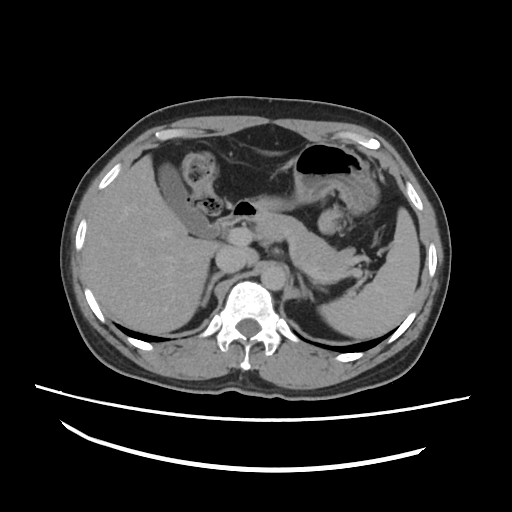 CT abdomen; Axial slice 77/97; scan has 15 labeled organs (a whole-scan count: organs this slice does not pass through have no box)
Boxes are (x1, y1, x2, y2) in pixels.
spleen: (318, 207, 421, 339)
gall bladder: (157, 161, 216, 236)
liver: (84, 154, 257, 333)
stomach: (252, 143, 377, 214)
aorta: (260, 265, 284, 289)
inferior vena cava: (216, 246, 246, 272)
pancreas: (257, 211, 355, 270)
right adrenal gland: (201, 271, 225, 306)
left adrenal gland: (297, 275, 311, 299)
duodenum: (217, 200, 263, 237)